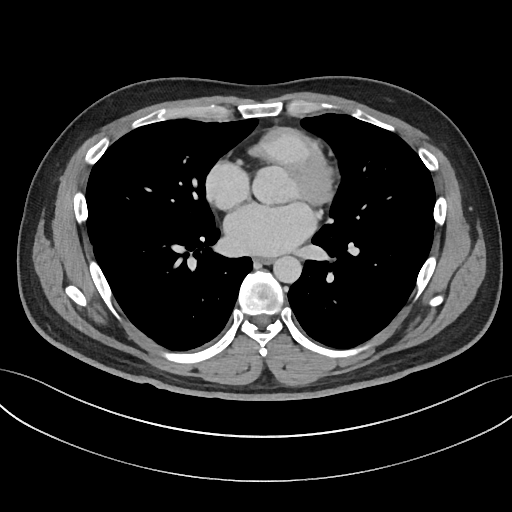 Chest-level slice from an abdominal CT that extends up into the chest — Axial slice 264/345 — W/L 400/40 HU — 512x512 px — acquired on SOMATOM Force — 15 organs annotated in this scan (counted over the whole 3D scan, not this slice; an organ is boxed only where this slice passes through it)
On a slice this high in the chest, this dataset labels only the esophagus and the aorta, and each is boxed only where it is labeled; the heart, lungs and other chest structures are not labeled. Coordinates as <box>x1,y1,x2,y2</box> in pixels. 2 labeled organs on this slice — esophagus at <box>254,256,272,263</box>; aorta at <box>273,256,301,283</box>.